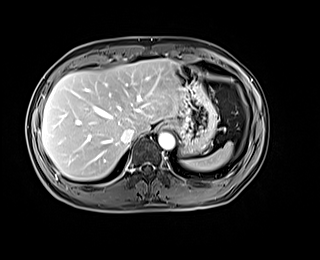
MRI, abdomen — axial view — 1st–99th percentile window — 320x260 px — acquired on Prisma
Boxes: x1 y1 x2 y2 (pixel coords, space-separated). The annotated organs in this slice are: spleen at 182 142 233 170, esophagus at 162 122 170 127, liver at 41 59 180 180, stomach at 168 63 217 155, aorta at 158 132 174 149, inferior vena cava at 121 128 134 144.